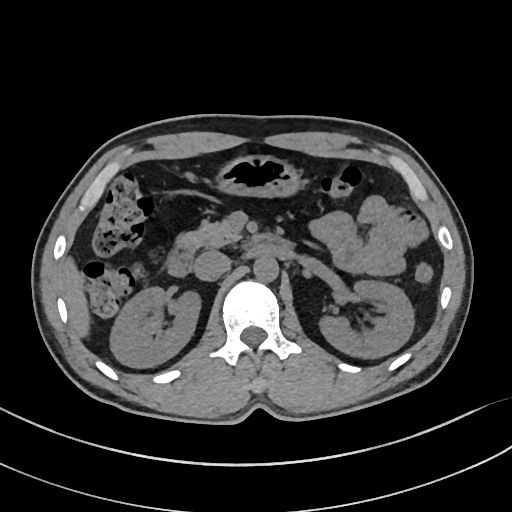
Computed tomography, abdomen — axial view
One row per box, in pixels: columns x1 and y1 give the top-left corner, x2 and y2 the bottom-right.
| organ | x1 | y1 | x2 | y2 |
|---|---|---|---|---|
| liver | 62 | 257 | 90 | 337 |
| duodenum | 166 | 232 | 288 | 276 |
| aorta | 253 | 255 | 278 | 282 |
| stomach | 216 | 155 | 301 | 197 |
| pancreas | 176 | 220 | 240 | 251 |
| inferior vena cava | 194 | 251 | 230 | 281 |
| left kidney | 319 | 280 | 414 | 358 |
| right kidney | 110 | 287 | 200 | 367 |